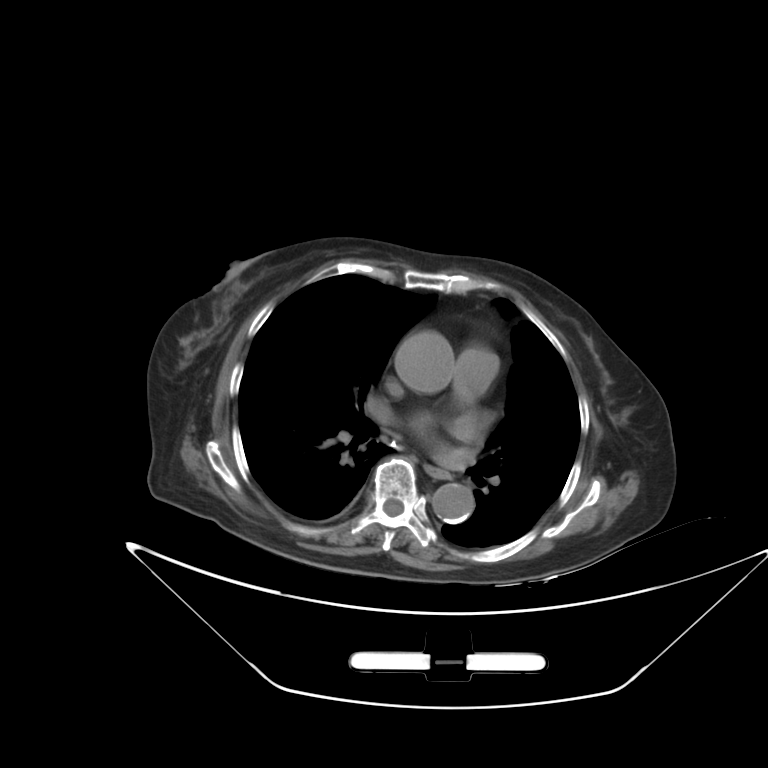 Abdominal CT; this slice is in the lower chest, just above the liver; axial plane, index 99; soft-tissue window, W/L 400/40; 80-year-old female patient
Of the structures in the chest, this dataset labels only the esophagus, the aorta and the inferior vena cava; the heart and lungs have no label.
Boxes are (x1, y1, x2, y2) in pixels.
Organ bounding boxes:
- esophagus: (426, 466, 451, 480)
- aorta: (395, 331, 455, 392)
- aorta: (432, 483, 474, 523)